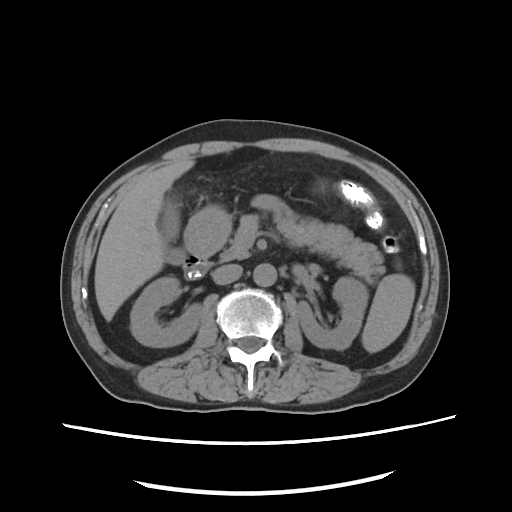

CT, abdomen/pelvis. axial view. soft-tissue window. 68-year-old male patient. Aquilion ONE scanner. scan has 15 labeled organs (a whole-scan count: organs this slice does not pass through have no box)
Bounding boxes in pixels, one row per box: x1, y1 is the top-left corner and x2, y2 the bottom-right.
| organ | x1 | y1 | x2 | y2 |
|---|---|---|---|---|
| spleen | 361 | 274 | 415 | 352 |
| right kidney | 130 | 276 | 202 | 346 |
| left kidney | 296 | 277 | 368 | 349 |
| gall bladder | 159 | 204 | 183 | 263 |
| liver | 94 | 157 | 194 | 321 |
| stomach | 183 | 205 | 231 | 257 |
| aorta | 253 | 263 | 276 | 286 |
| inferior vena cava | 212 | 264 | 242 | 284 |
| pancreas | 220 | 214 | 384 | 283 |
| duodenum | 183 | 213 | 211 | 277 |